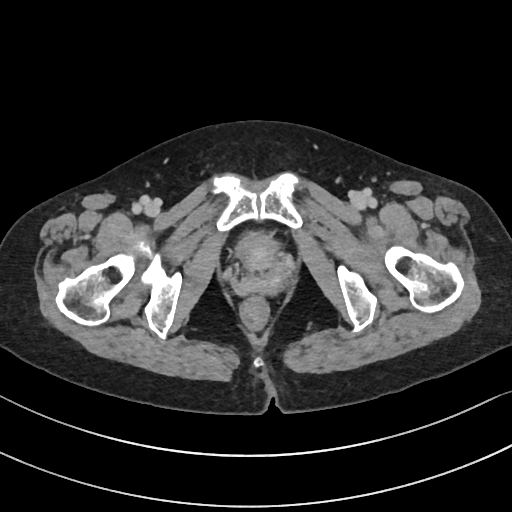
CT, abdomen/pelvis; Axial slice 19/212
One row per box, in pixels: columns x1 and y1 give the top-left corner, x2 and y2 the bottom-right.
| organ | x1 | y1 | x2 | y2 |
|---|---|---|---|---|
| bladder | 238 | 235 | 274 | 266 |